CT abdomen — Axial slice 119/187 — soft-tissue window (W 400 / L 40) — 512x512 px
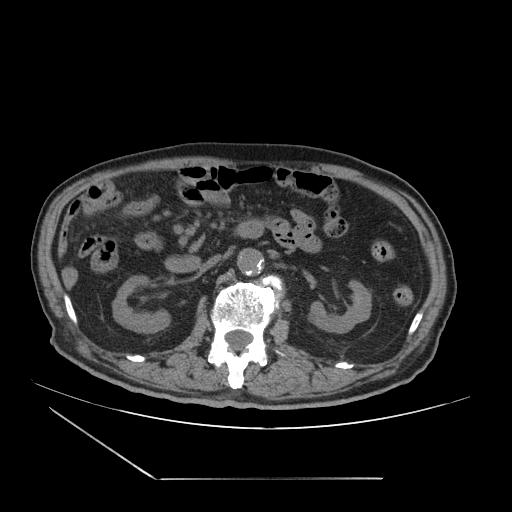 <organs><organ name="right kidney" x1="112" y1="275" x2="170" y2="333"/><organ name="duodenum" x1="164" y1="220" x2="275" y2="271"/><organ name="aorta" x1="237" y1="248" x2="263" y2="275"/><organ name="inferior vena cava" x1="199" y1="254" x2="221" y2="272"/><organ name="left kidney" x1="309" y1="280" x2="371" y2="333"/></organs>